Computed tomography, abdomen; axial plane, index 10; soft-tissue window
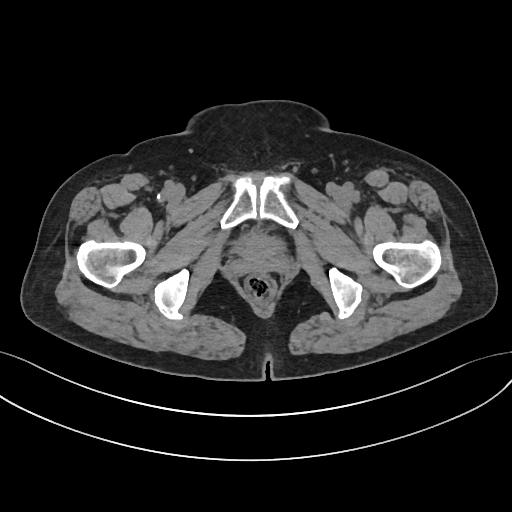
Box edges are left/top/right/bottom in pixels.
Organ bounding boxes:
- bladder: left=231, top=233, right=285, bottom=253